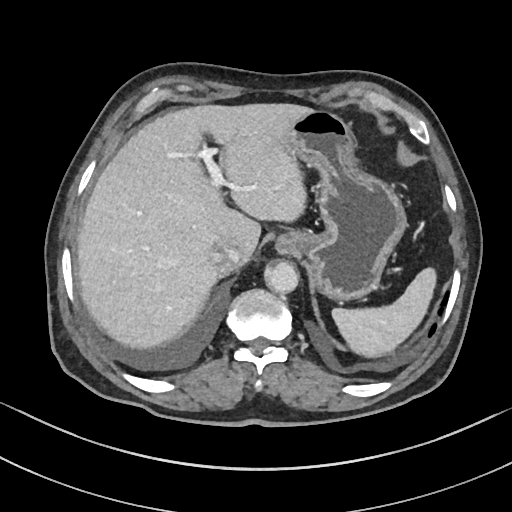

CT, abdomen/pelvis · Axial slice 196/221 · W/L 400/40 HU · acquired on SOMATOM Force
One row per box, in pixels: columns x1 and y1 give the top-left corner, x2 and y2 the bottom-right.
| organ | x1 | y1 | x2 | y2 |
|---|---|---|---|---|
| spleen | 332 | 266 | 435 | 354 |
| liver | 76 | 103 | 307 | 351 |
| stomach | 276 | 108 | 406 | 301 |
| aorta | 263 | 260 | 298 | 292 |
| inferior vena cava | 209 | 239 | 240 | 273 |